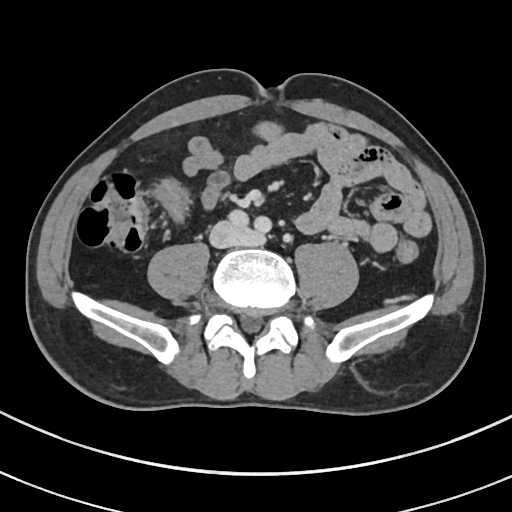
Computed tomography, abdomen — axial view — abdomen soft-tissue window — 512x512 px — scan has 15 labeled organs (a whole-scan count: organs this slice does not pass through have no box)
{"organs":{"inferior vena cava":[210,222,255,247]}}